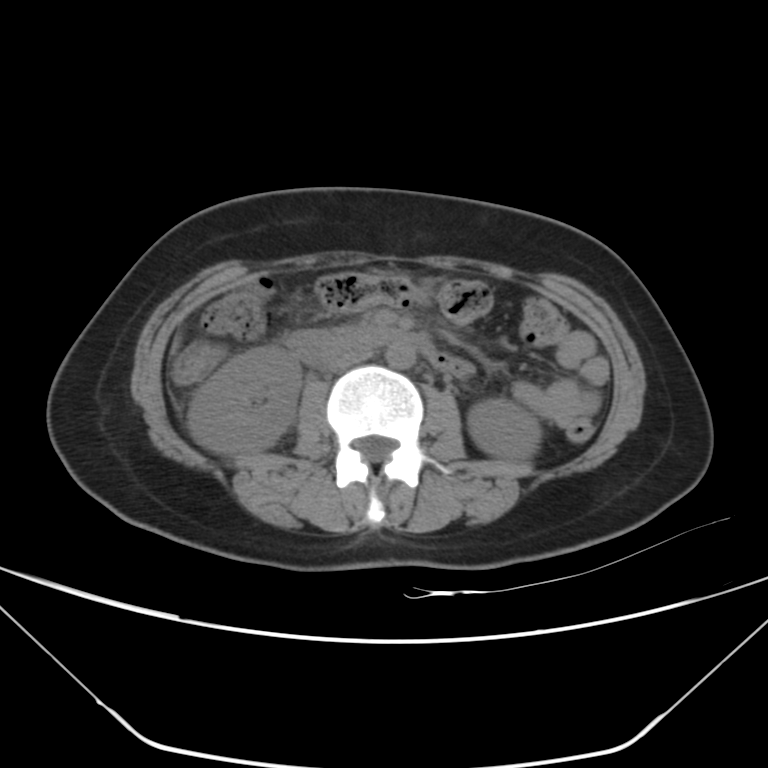 Computed tomography, abdomen. axial view
Coordinates as <box>x1,y1,x2,y2</box> in pixels.
right kidney: <box>188,345,300,454</box>
left kidney: <box>467,399,540,459</box>
aorta: <box>386,342,415,369</box>
inferior vena cava: <box>325,348,373,371</box>
duodenum: <box>286,326,434,364</box>